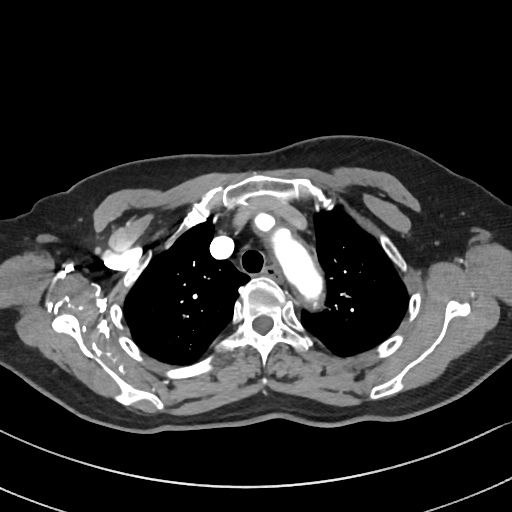

Chest-level slice from an abdominal CT that extends up into the chest · axial plane, index 261 · 512x512 px · SOMATOM Force scanner
On a slice this high in the chest, this dataset labels only the esophagus and the aorta, and each is boxed only where it is labeled; the heart, lungs and other chest structures are not labeled.
Boxes: x1 y1 x2 y2 (pixel coords, space-separated).
Organ bounding boxes:
- esophagus: 262 267 282 283
- aorta: 253 212 325 311